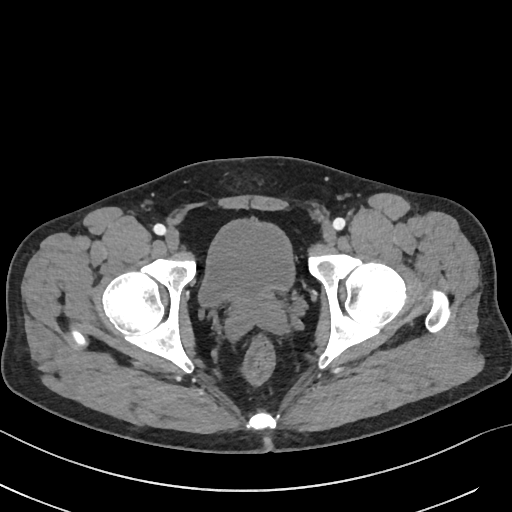
Abdominal CT · Axial slice 36/307 · 512x512 px · SOMATOM Force scanner
Bounding boxes as [x1, y1, x2, y2] in pixel coordinates. 2 labeled organs on this slice — bladder at [198, 218, 295, 308]; prostate/uterus at [233, 289, 275, 315].